Abdominal CT; axial plane, index 74
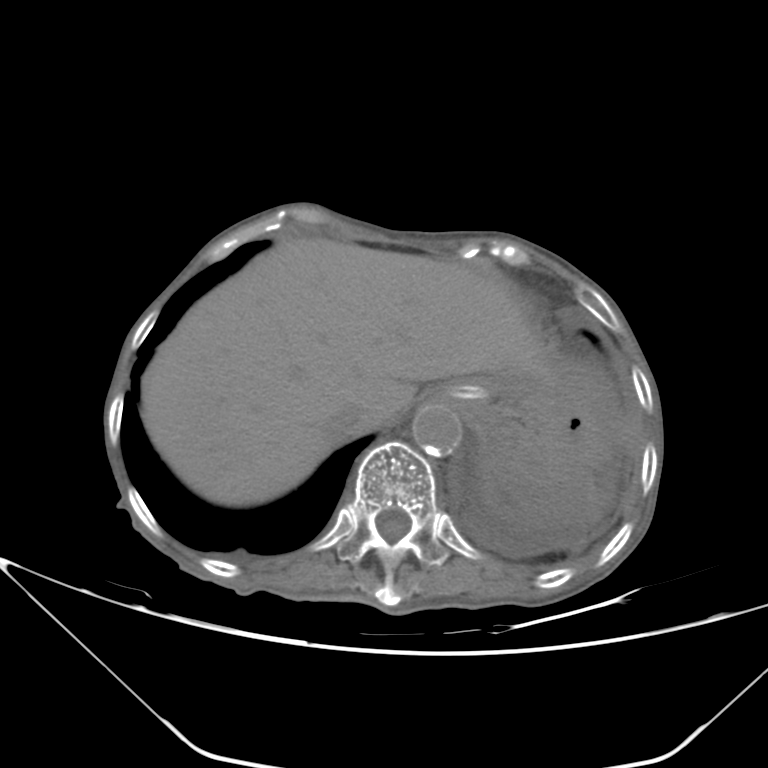
{"organs":{"liver":[140,238,550,506],"stomach":[437,373,559,482],"aorta":[412,404,461,455],"inferior vena cava":[324,403,363,444]}}